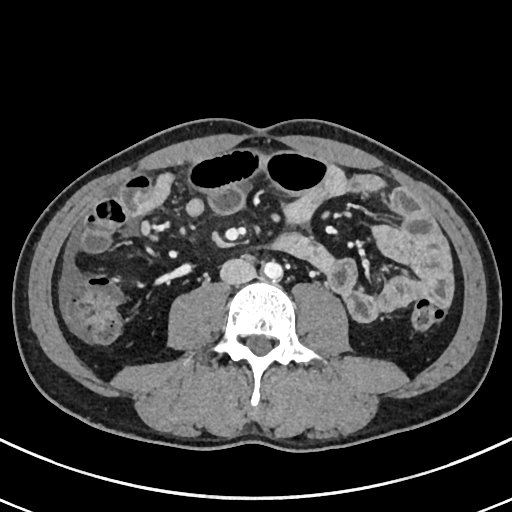
CT abdomen; axial view; 512x512 px
Boxes: x1 y1 x2 y2 (pixel coords, space-separated).
Organ bounding boxes:
- aorta: 263 262 282 280
- inferior vena cava: 220 258 255 284